CT abdomen · axial view · 14 organs annotated in this scan (that count is for the whole scan; organs this slice misses have no box)
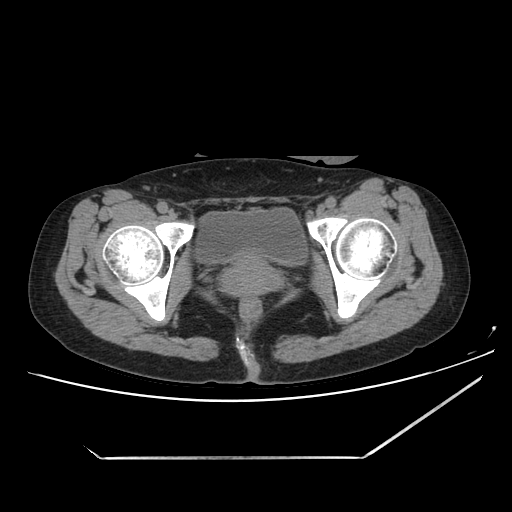 <organs><organ name="bladder" x1="196" y1="207" x2="306" y2="264"/><organ name="prostate/uterus" x1="220" y1="253" x2="282" y2="296"/></organs>